CT, abdomen/pelvis; Axial slice 152/294
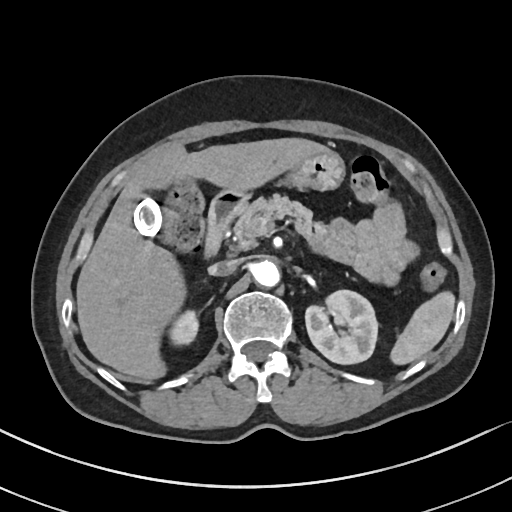
Bounding boxes as [x1, y1, x2, y2] in pixel coordinates.
spleen: [392, 294, 454, 362]
right kidney: [170, 312, 197, 344]
left kidney: [305, 289, 378, 363]
gall bladder: [131, 193, 161, 237]
liver: [76, 138, 326, 379]
stomach: [276, 151, 343, 189]
aorta: [252, 260, 279, 286]
inferior vena cava: [208, 260, 237, 275]
pancreas: [232, 194, 317, 250]
duodenum: [204, 188, 251, 259]